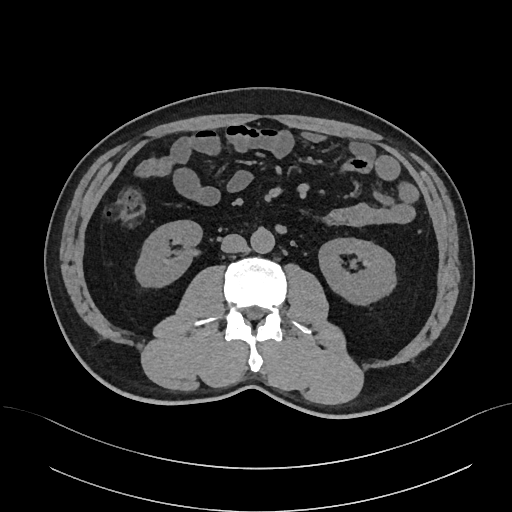

CT abdomen; axial view
Bounding boxes in pixels, one row per box: x1, y1 is the top-left corner and x2, y2 the bottom-right.
| organ | x1 | y1 | x2 | y2 |
|---|---|---|---|---|
| aorta | 251 | 228 | 274 | 253 |
| inferior vena cava | 221 | 234 | 247 | 253 |
| left kidney | 319 | 239 | 397 | 306 |
| right kidney | 135 | 220 | 202 | 288 |